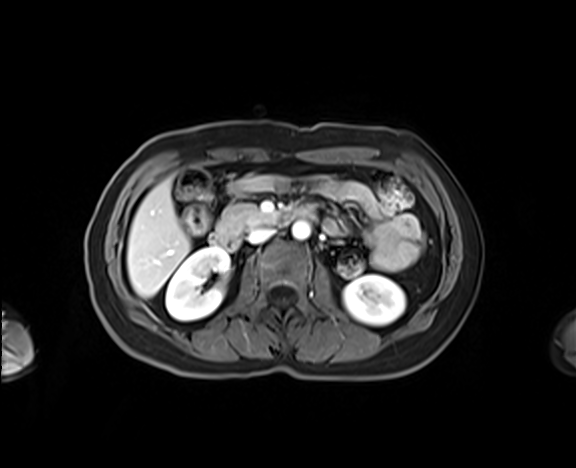 Magnetic resonance imaging, abdomen — axial view — 576x468 px
Boxes: x1:y1:x2:y2 in pixels.
Organ bounding boxes:
- inferior vena cava: 247:228:274:244
- left kidney: 343:275:405:325
- pancreas: 217:204:272:235
- right kidney: 165:247:229:320
- duodenum: 210:205:315:250
- liver: 126:179:190:297
- aorta: 292:221:310:240